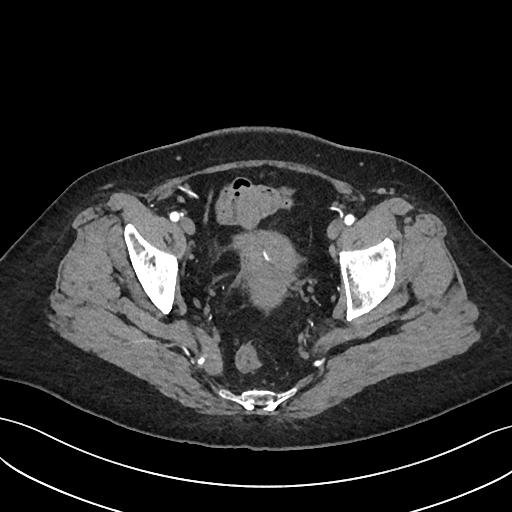

CT, abdomen/pelvis · Axial slice 35/276 · W/L 400/40 HU · 512x512 px
One row per box, in pixels: columns x1 and y1 give the top-left corner, x2 and y2 the bottom-right.
| organ | x1 | y1 | x2 | y2 |
|---|---|---|---|---|
| prostate/uterus | 235 | 231 | 295 | 306 |